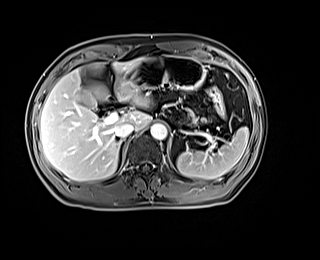
Abdominal MR · axial view · acquired on Prisma · 13 organs annotated in this scan (counted over the whole 3D scan, not this slice; an organ is boxed only where this slice passes through it)
Each box given as x1,y1,x2,y2.
Organ bounding boxes:
- spleen: x1=177, y1=127, x2=248, y2=178
- gall bladder: x1=82, y1=92, x2=96, y2=107
- liver: x1=40, y1=58, x2=150, y2=181
- stomach: x1=127, y1=54, x2=205, y2=91
- aorta: x1=150, y1=124, x2=167, y2=139
- inferior vena cava: x1=115, y1=123, x2=134, y2=138
- pancreas: x1=190, y1=115, x2=197, y2=123
- right adrenal gland: x1=117, y1=140, x2=123, y2=150
- duodenum: x1=107, y1=95, x2=114, y2=102